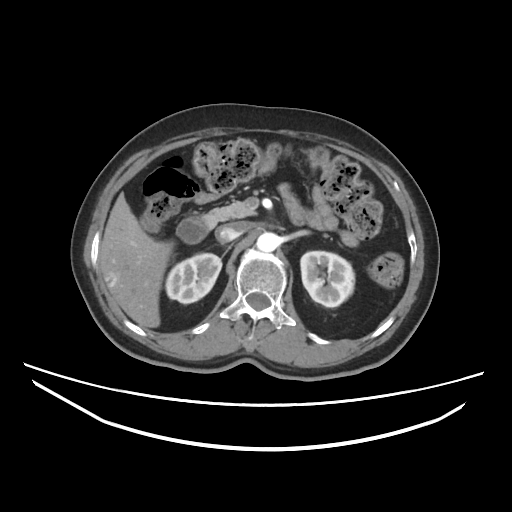
Abdominal CT · axial plane, index 65 · 58-year-old male patient
Bounding boxes as [x1, y1, x2, y2] in pixel coordinates. Labeled organs on this slice: duodenum at [176, 217, 210, 243], inferior vena cava at [215, 221, 248, 242], aorta at [256, 232, 278, 251], pancreas at [204, 201, 255, 227], left kidney at [300, 251, 354, 307], right kidney at [165, 253, 221, 303], liver at [99, 192, 173, 327].